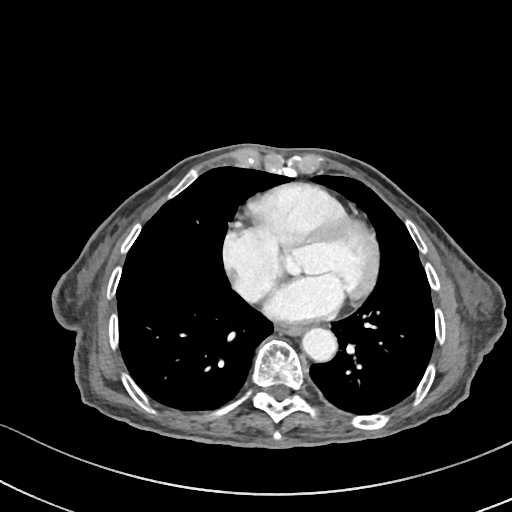

Lower-chest slice from an abdominal CT, just above the liver and spleen · axial view · W/L 400/40 HU · 512x512 px
The heart and lungs are never labeled in this dataset, so they have no box on this slice.
Boxes: x1 y1 x2 y2 (pixel coords, space-separated).
Organ bounding boxes:
- esophagus: 278 326 306 335
- aorta: 303 329 338 363